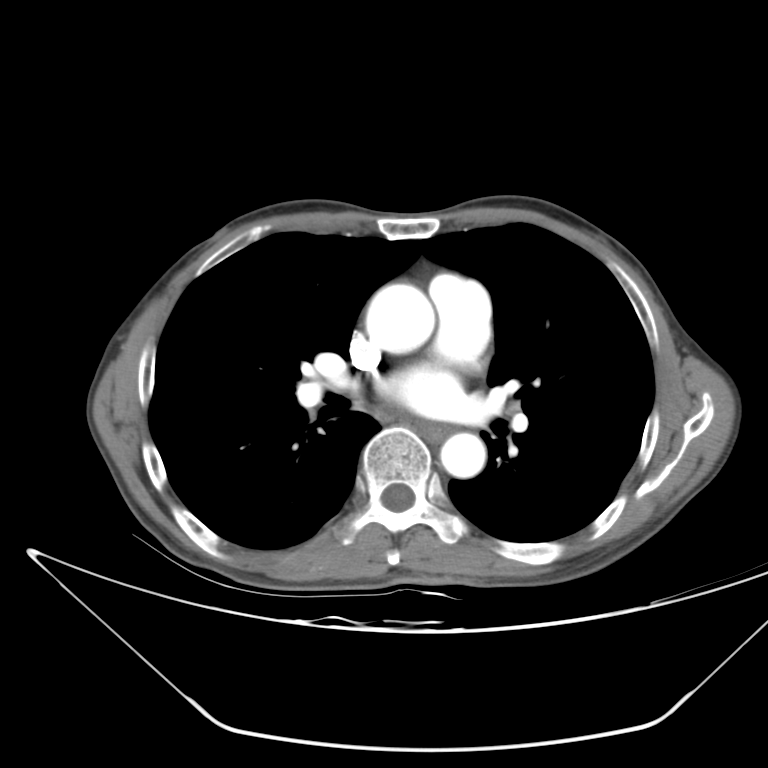 CT of the abdomen extending into the chest, slice through the chest; axial view; soft-tissue window (W 400 / L 40); Brilliance16 scanner
At this level of the chest no structure but the esophagus and the aorta has a label in this dataset, and those two are boxed only where they are labeled.
{"organs":{"esophagus":[414,421,448,440],"aorta":[[366,283,435,353],[440,432,486,478]]}}